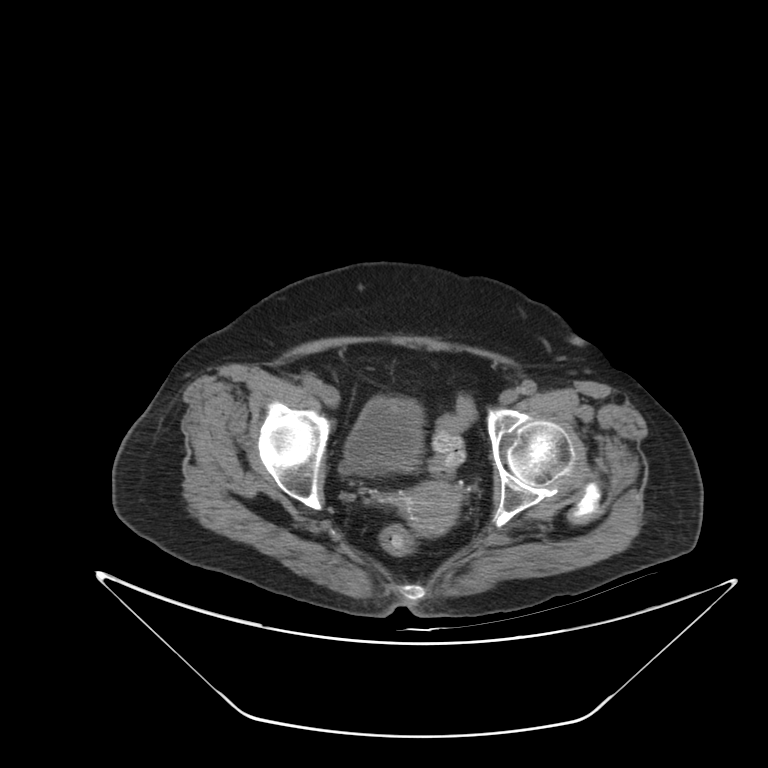

CT, abdomen/pelvis · Axial slice 18/89
{"organs":{"bladder":[342,397,423,473],"prostate/uterus":[397,482,460,536]}}